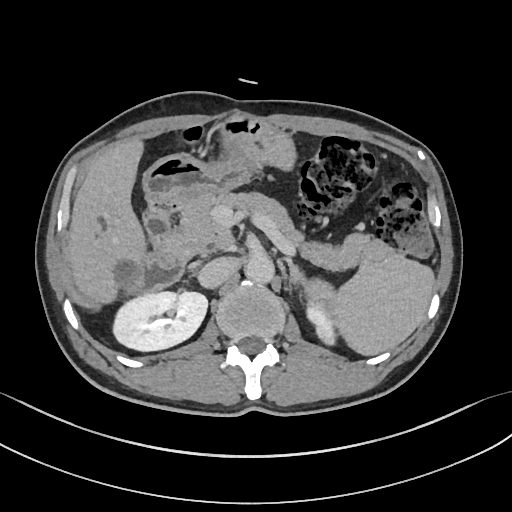
Computed tomography, abdomen. axial view. abdomen soft-tissue window
{"organs":{"spleen":[306,255,433,354],"right kidney":[112,291,207,351],"left kidney":[307,307,337,345],"liver":[69,138,144,301],"stomach":[145,114,293,214],"aorta":[243,253,273,282],"inferior vena cava":[198,256,236,287],"pancreas":[163,194,393,271],"left adrenal gland":[284,257,309,289],"duodenum":[125,210,184,294]}}